Lower-chest slice from an abdominal CT, just above the liver and spleen — axial view — soft-tissue window (W 400 / L 40) — 512x512 px — 58-year-old male patient
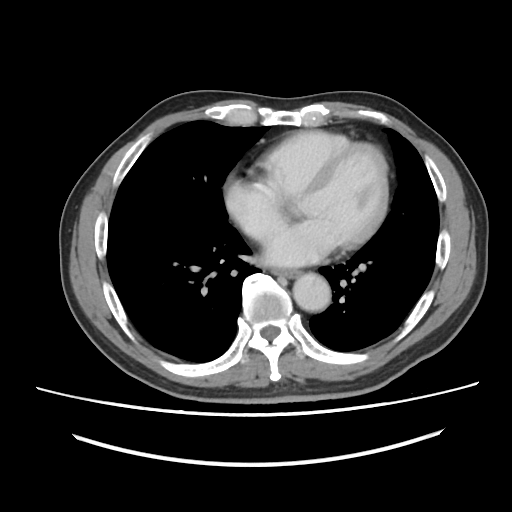
The heart and lungs are never labeled in this dataset, so they have no box on this slice.
{"organs":{"esophagus":[275,271,298,278],"aorta":[293,273,330,311]}}